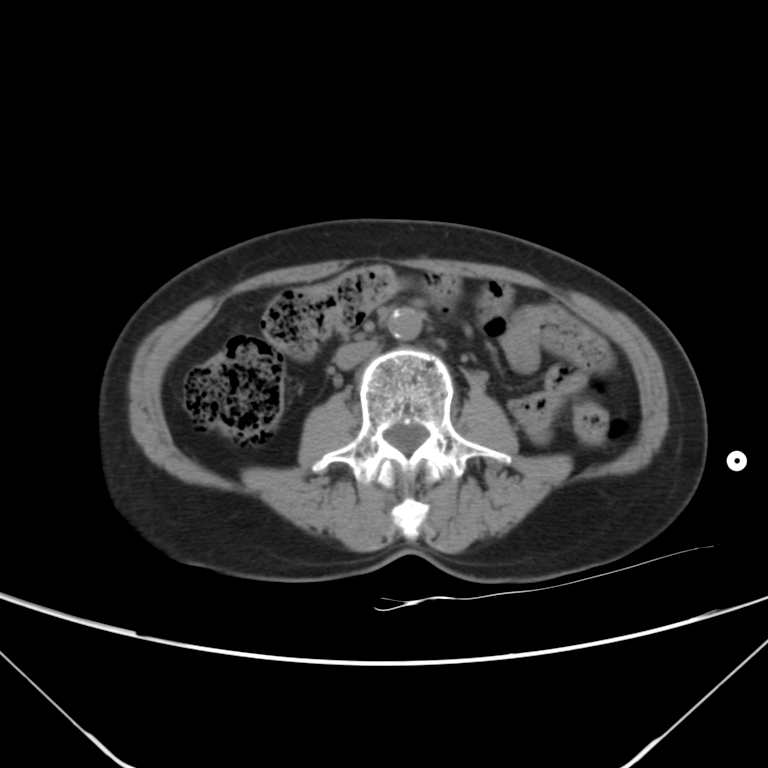
CT abdomen; axial plane, index 54; scan has 15 labeled organs (a whole-scan count: organs this slice does not pass through have no box)
Boxes: x1 y1 x2 y2 (pixel coords, space-separated).
Organ bounding boxes:
- aorta: 387 307 421 339
- inferior vena cava: 333 339 378 369